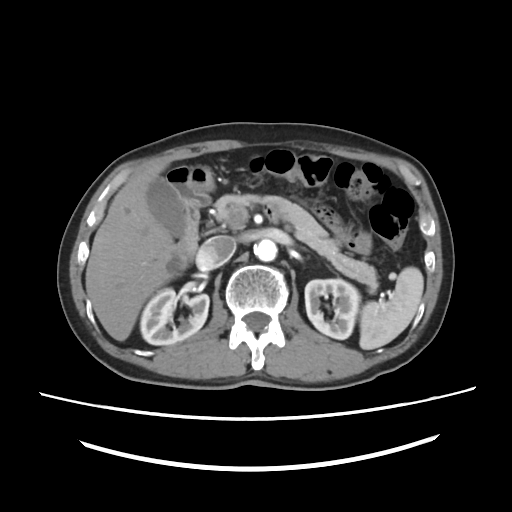

Computed tomography, abdomen — Axial slice 66/134 — abdomen soft-tissue window — 512x512 px — 15 organs annotated in this scan (counted over the whole 3D scan, not this slice; an organ is boxed only where this slice passes through it)
Organ boxes in pixel coordinates; each row gives the top-left (x1, y1) and bottom-right (x2, y2) corners.
| organ | x1 | y1 | x2 | y2 |
|---|---|---|---|---|
| aorta | 254 | 239 | 277 | 261 |
| right kidney | 140 | 288 | 209 | 345 |
| duodenum | 166 | 166 | 210 | 269 |
| liver | 85 | 162 | 180 | 340 |
| pancreas | 214 | 194 | 378 | 293 |
| stomach | 190 | 166 | 214 | 193 |
| inferior vena cava | 197 | 235 | 236 | 269 |
| spleen | 359 | 267 | 423 | 349 |
| gall bladder | 147 | 176 | 183 | 236 |
| left kidney | 305 | 278 | 360 | 339 |